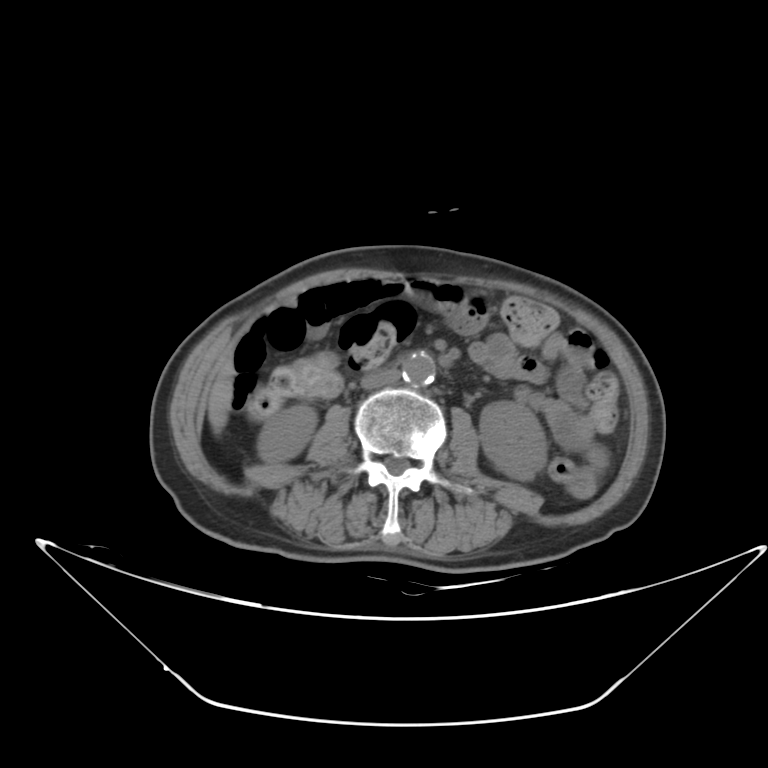 CT abdomen · axial view · abdomen soft-tissue window · 768x768 px · 69-year-old male patient
Boxes: x1:y1:x2:y2 in pixels. 5 labeled organs on this slice — right kidney at 258:406:314:464; left kidney at 480:401:545:481; liver at 207:356:232:428; aorta at 402:351:435:385; inferior vena cava at 361:368:402:391.